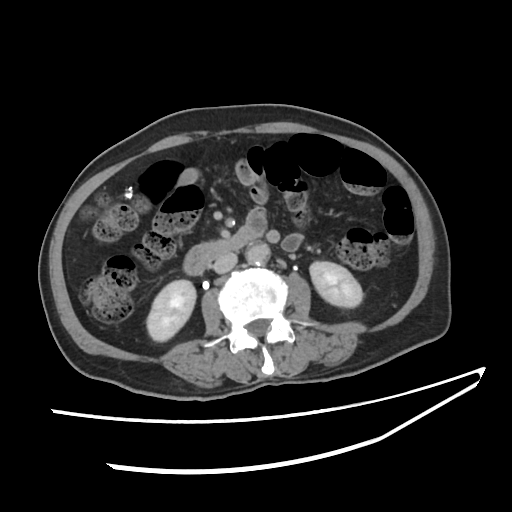

CT, abdomen/pelvis; axial view; W/L 400/40 HU
Each box given as x1,y1,x2,y2.
Organ bounding boxes:
- right kidney: x1=147, y1=278, x2=196, y2=340
- inferior vena cava: x1=212, y1=254, x2=236, y2=272
- aorta: x1=246, y1=239, x2=270, y2=264
- left kidney: x1=310, y1=261, x2=361, y2=306
- duodenum: x1=182, y1=226, x2=262, y2=274